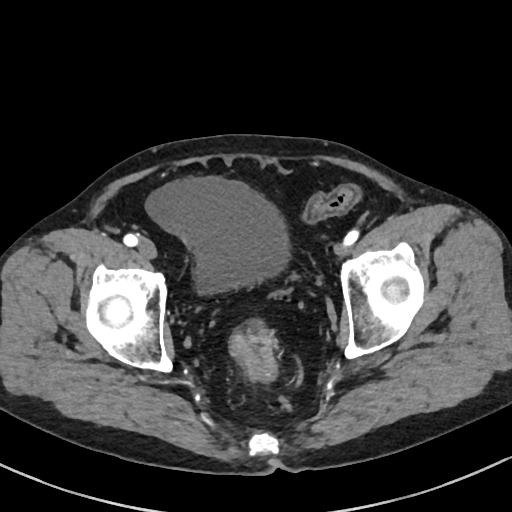
CT, abdomen/pelvis; axial view; 512x512 px; 15 organs annotated in this scan (that count is for the whole scan; organs this slice misses have no box)
{"organs":{"bladder":[146,177,288,295]}}